CT abdomen. axial view. 512x512 px. scan has 15 labeled organs (a whole-scan count: organs this slice does not pass through have no box)
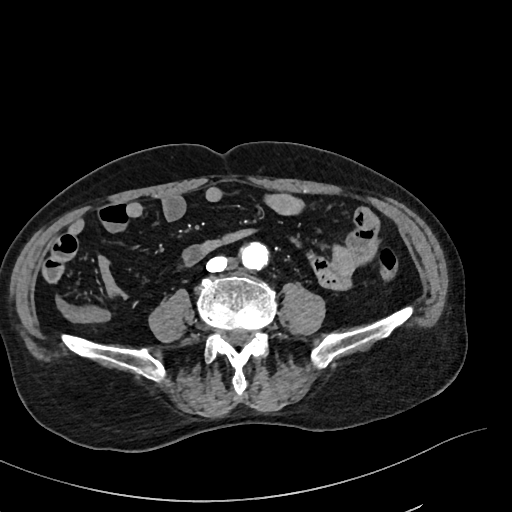

<organs><organ name="inferior vena cava" x1="206" y1="257" x2="228" y2="272"/><organ name="aorta" x1="242" y1="242" x2="269" y2="269"/></organs>